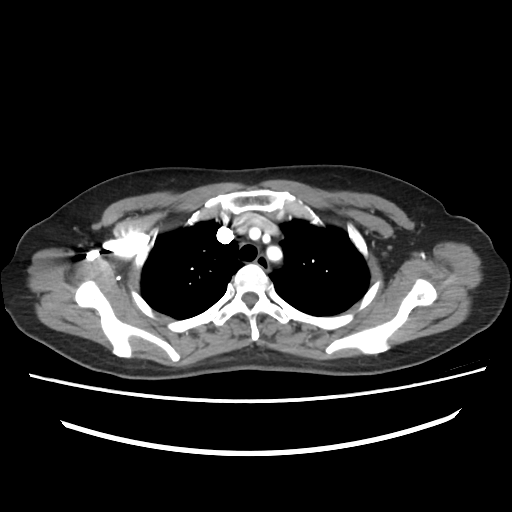
Chest-level slice from an abdominal CT that extends up into the chest; axial view; W/L 400/40 HU; 512x512 px
On a slice this high in the chest, this dataset labels only the esophagus and the aorta, and each is boxed only where it is labeled; the heart, lungs and other chest structures are not labeled.
<organs><organ name="esophagus" x1="255" y1="255" x2="269" y2="271"/><organ name="aorta" x1="267" y1="247" x2="280" y2="259"/></organs>